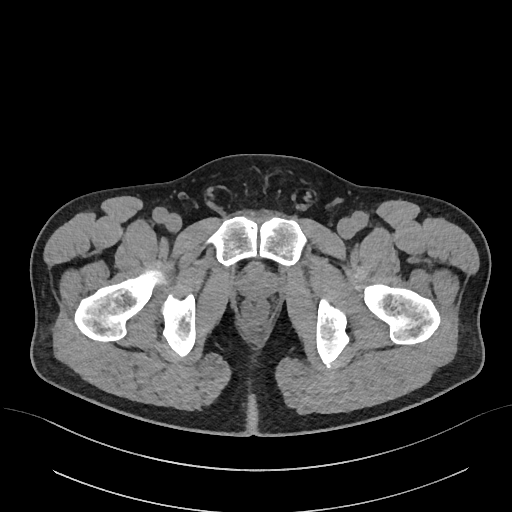 Computed tomography, abdomen · Axial slice 24/265 · 512x512 px
Box edges are left/top/right/bottom in pixels. Labeled organs on this slice: prostate/uterus at left=240, top=267, right=275, bottom=297.